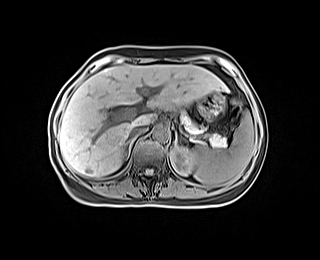

Abdominal MRI — axial view — percentile-normalized
<organs><organ name="spleen" x1="193" y1="112" x2="254" y2="187"/><organ name="right adrenal gland" x1="125" y1="138" x2="135" y2="155"/><organ name="left kidney" x1="170" y1="145" x2="198" y2="175"/><organ name="pancreas" x1="180" y1="111" x2="225" y2="146"/><organ name="left adrenal gland" x1="173" y1="131" x2="177" y2="145"/><organ name="stomach" x1="198" y1="92" x2="225" y2="121"/><organ name="aorta" x1="153" y1="126" x2="168" y2="141"/><organ name="liver" x1="58" y1="64" x2="226" y2="176"/><organ name="inferior vena cava" x1="129" y1="125" x2="147" y2="137"/></organs>